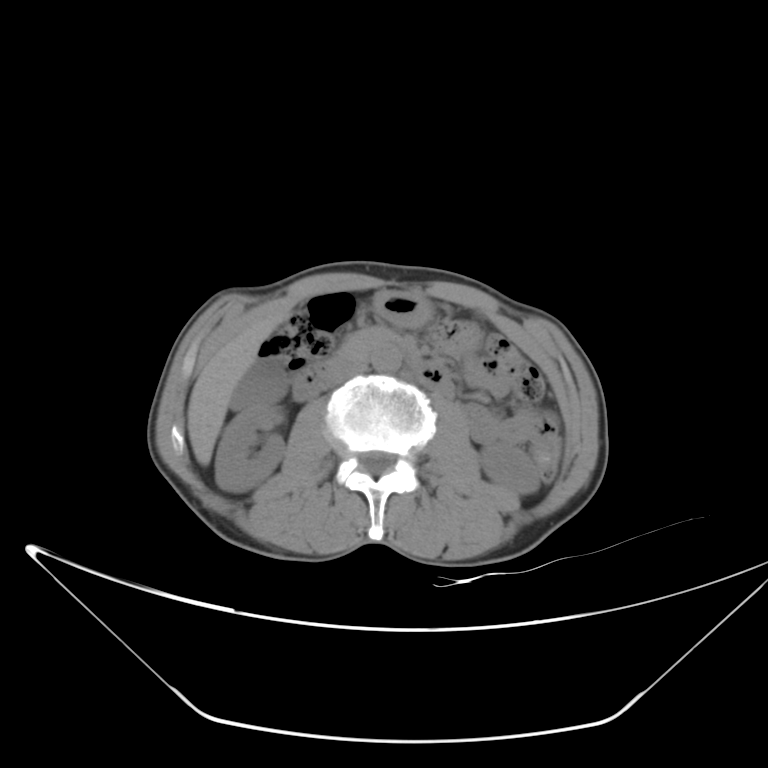

Computed tomography, abdomen; Axial slice 62/81; W/L 400/40 HU; 63-year-old male patient
Each box given as x1,y1,x2,y2. 9 labeled organs on this slice — left kidney at x1=481, y1=442, x2=541, y2=493; stomach at x1=372, y1=291, x2=433, y2=328; duodenum at x1=293, y1=344, x2=456, y2=400; right kidney at x1=215, y1=403, x2=284, y2=492; pancreas at x1=337, y1=327, x2=399, y2=361; inferior vena cava at x1=326, y1=360, x2=366, y2=387; aorta at x1=372, y1=346, x2=401, y2=372; liver at x1=187, y1=311, x2=287, y2=464; gall bladder at x1=229, y1=359, x2=286, y2=411.